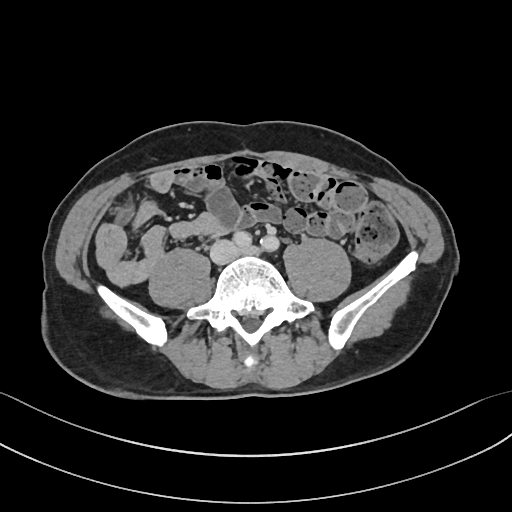
Abdominal CT · axial view · SOMATOM Force scanner
Boxes are (x1, y1, x2, y2) in pixels. 1 labeled organ on this slice — inferior vena cava at (210, 241, 234, 263).